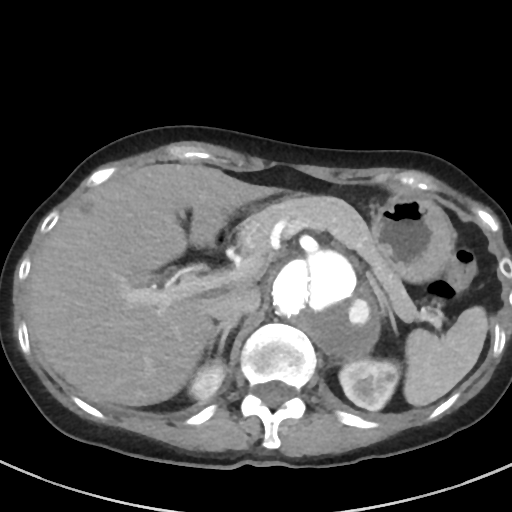 Abdominal CT. axial view. W/L 400/40 HU. SOMATOM Force scanner
{"organs":{"spleen":[403,306,488,406],"right kidney":[188,360,224,399],"left kidney":[339,359,399,410],"liver":[27,163,275,406],"stomach":[266,191,455,283],"aorta":[271,248,380,358],"inferior vena cava":[211,285,260,322],"pancreas":[237,196,417,322],"right adrenal gland":[207,322,237,359],"left adrenal gland":[368,274,395,330],"duodenum":[217,234,219,237]}}